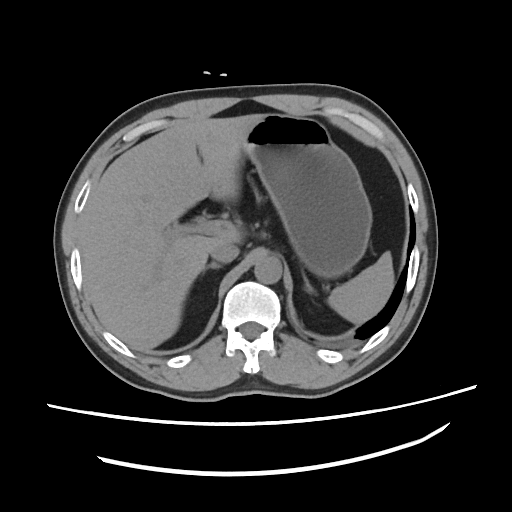

CT, abdomen/pelvis — axial view — 45-year-old male patient — Aquilion ONE scanner — scan has 15 labeled organs (counted over the whole 3D scan, not this slice; an organ is boxed only where this slice passes through it)
Coordinates as <box>x1,y1,x2,y2</box> in pixels. The annotated organs in this slice are: inferior vena cava at <box>209,242,238,262</box>, left adrenal gland at <box>303,273,313,291</box>, aorta at <box>255,255,282,283</box>, right adrenal gland at <box>203,261,221,272</box>, stomach at <box>245,113,371,279</box>, spleen at <box>328,252,396,323</box>, liver at <box>80,113,265,347</box>.